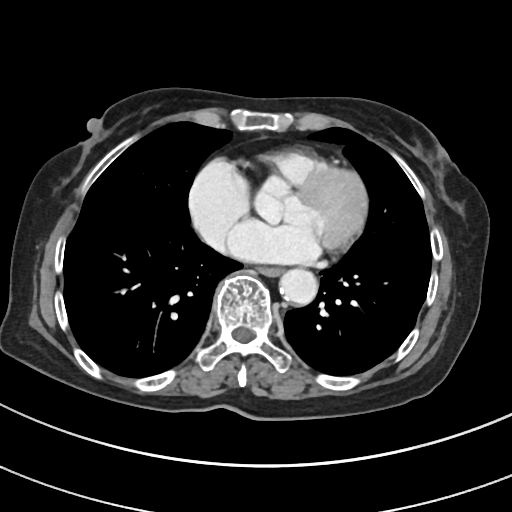
Abdominal CT; this slice is in the lower chest, just above the liver. axial view
Of the structures in the chest, this dataset labels only the esophagus, the aorta and the inferior vena cava; the heart and lungs have no label.
{"organs":{"esophagus":[259,268,283,277],"aorta":[280,269,318,305]}}